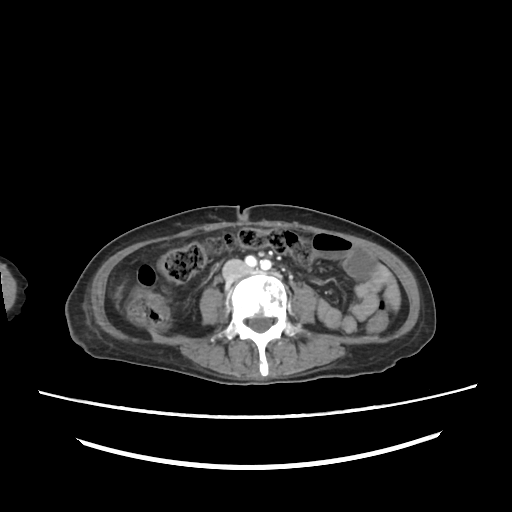

Computed tomography, abdomen · Axial slice 41/111 · soft-tissue window
{"organs":{"inferior vena cava":[222,259,250,281]}}